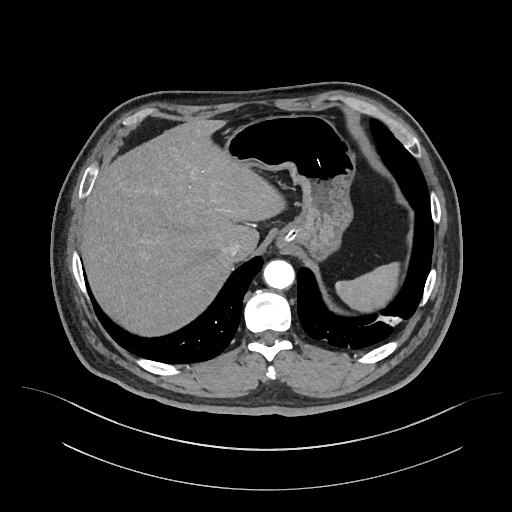
Abdominal CT. axial view. soft-tissue window (W 400 / L 40). 512x512 px
<organs><organ name="spleen" x1="335" y1="262" x2="400" y2="312"/><organ name="liver" x1="80" y1="118" x2="285" y2="336"/><organ name="stomach" x1="222" y1="115" x2="355" y2="260"/><organ name="aorta" x1="263" y1="260" x2="294" y2="289"/><organ name="inferior vena cava" x1="222" y1="241" x2="240" y2="259"/></organs>